CT of the abdomen reaching into the lower chest, slice just above the liver and spleen; axial view
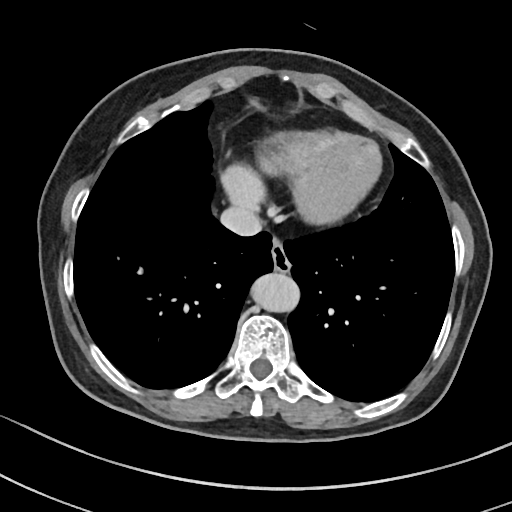 No part of the heart or lungs is labeled in this dataset, so neither has a box here.
One row per box, in pixels: columns x1 and y1 give the top-left corner, x2 and y2 the bottom-right.
| organ | x1 | y1 | x2 | y2 |
|---|---|---|---|---|
| inferior vena cava | 220 | 206 | 262 | 236 |
| esophagus | 271 | 239 | 290 | 271 |
| aorta | 251 | 272 | 299 | 312 |